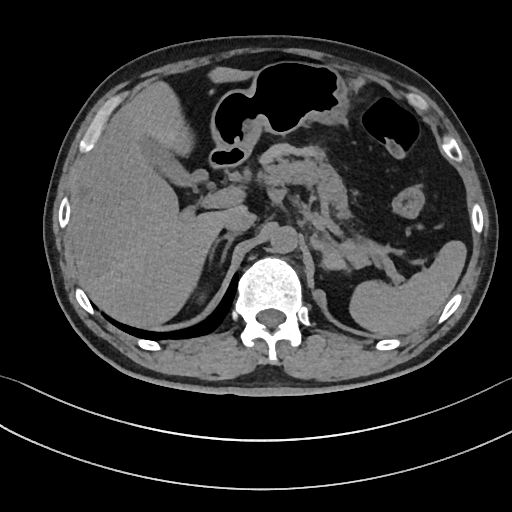 Computed tomography, abdomen — axial view — soft-tissue window (W 400 / L 40) — 512x512 px
Each box given as x1,y1,x2,y2.
Organ bounding boxes:
- spleen: x1=349, y1=240, x2=466, y2=335
- gall bladder: x1=142, y1=138, x2=209, y2=186
- liver: x1=67, y1=67, x2=254, y2=327
- stomach: x1=210, y1=61, x2=348, y2=157
- aorta: x1=269, y1=226, x2=297, y2=253
- inferior vena cava: x1=224, y1=208, x2=256, y2=232
- pancreas: x1=256, y1=156, x2=349, y2=217
- right adrenal gland: x1=214, y1=233, x2=239, y2=265
- left adrenal gland: x1=322, y1=260, x2=332, y2=269
- duodenum: x1=209, y1=149, x2=245, y2=168